Abdominal CT · Axial slice 161/294 · abdomen soft-tissue window
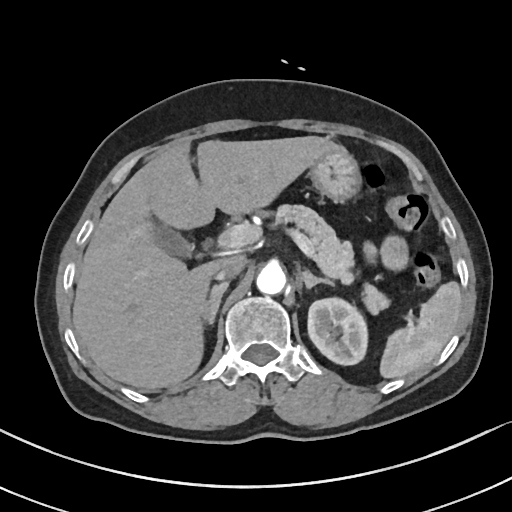
<organs><organ name="spleen" x1="379" y1="281" x2="461" y2="378"/><organ name="left kidney" x1="307" y1="298" x2="367" y2="365"/><organ name="gall bladder" x1="154" y1="225" x2="193" y2="257"/><organ name="liver" x1="72" y1="136" x2="338" y2="389"/><organ name="stomach" x1="310" y1="146" x2="361" y2="202"/><organ name="aorta" x1="256" y1="262" x2="286" y2="294"/><organ name="inferior vena cava" x1="214" y1="260" x2="245" y2="280"/><organ name="pancreas" x1="274" y1="204" x2="389" y2="311"/><organ name="right adrenal gland" x1="203" y1="281" x2="228" y2="324"/><organ name="left adrenal gland" x1="300" y1="270" x2="336" y2="288"/></organs>